Lower-chest slice from an abdominal MRI, just above the liver and spleen · axial view · percentile-normalized · 320x260 px · acquired on Prisma · 13 organs annotated in this scan (that count is for the whole scan; organs this slice misses have no box)
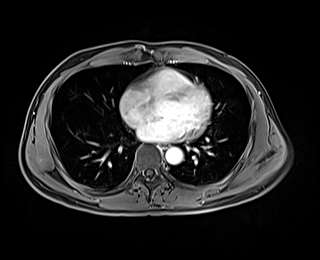
No part of the heart or lungs is labeled in this dataset, so neither has a box here.
<organs><organ name="aorta" x1="165" y1="147" x2="183" y2="164"/><organ name="esophagus" x1="160" y1="142" x2="169" y2="148"/></organs>